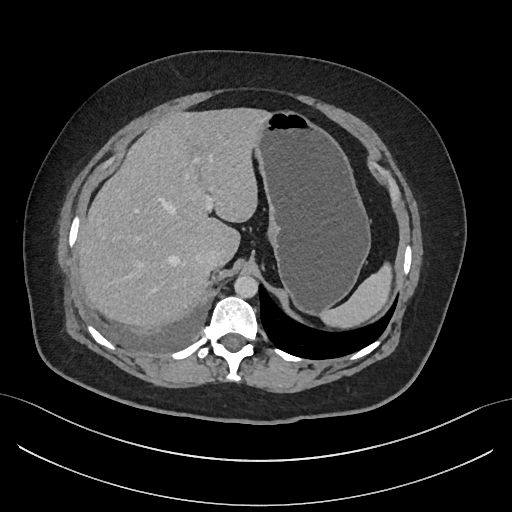 Computed tomography, abdomen · axial view · 512x512 px
One row per box, in pixels: columns x1 and y1 give the top-left corner, x2 and y2 the bottom-right.
| organ | x1 | y1 | x2 | y2 |
|---|---|---|---|---|
| liver | 77 | 108 | 271 | 328 |
| stomach | 255 | 112 | 371 | 315 |
| aorta | 233 | 275 | 257 | 298 |
| spleen | 323 | 265 | 389 | 326 |
| inferior vena cava | 195 | 248 | 220 | 271 |